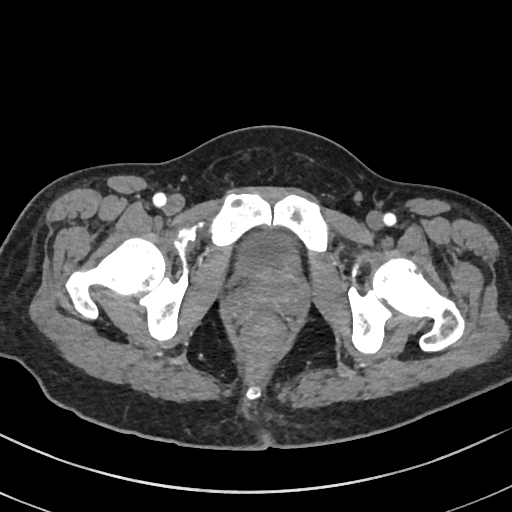 Computed tomography, abdomen — axial plane, index 11 — abdomen soft-tissue window — 512x512 px
{"organs":{"bladder":[234,229,301,276]}}